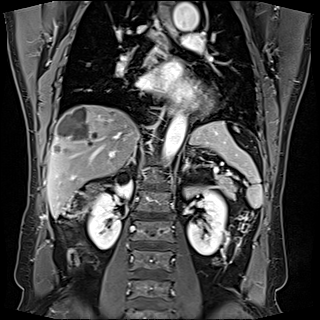 Abdominal MR · coronal view
Box edges are left/top/right/bottom in pixels.
Organ bounding boxes:
- spleen: left=190, top=121, right=262, bottom=208
- right kidney: left=88, top=172, right=132, bottom=248
- left kidney: left=183, top=187, right=226, bottom=255
- esophagus: left=167, top=99, right=175, bottom=114
- esophagus: left=167, top=23, right=177, bottom=37
- liver: left=46, top=104, right=236, bottom=218
- aorta: left=162, top=113, right=186, bottom=164
- aorta: left=174, top=2, right=198, bottom=30
- pancreas: left=216, top=175, right=236, bottom=198
- right adrenal gland: left=125, top=155, right=135, bottom=167
- left adrenal gland: left=183, top=157, right=189, bottom=171